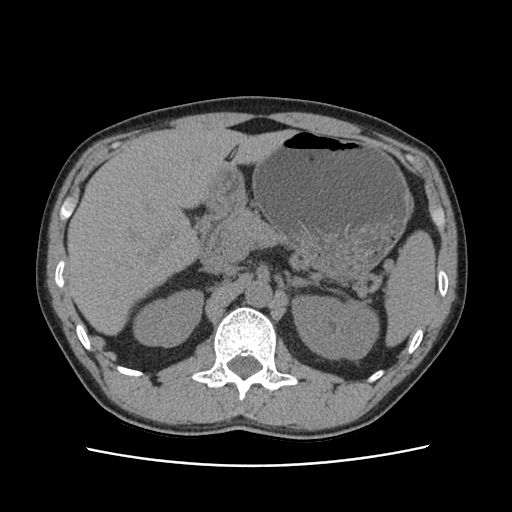

Computed tomography, abdomen · axial view
Boxes: x1 y1 x2 y2 (pixel coords, space-separated).
Organ bounding boxes:
- spleen: 384 230 435 346
- right kidney: 133 289 203 346
- left kidney: 292 295 379 359
- liver: 67 129 294 335
- stomach: 205 130 410 279
- aorta: 245 280 272 307
- inferior vena cava: 203 256 236 274
- pancreas: 217 208 284 248
- right adrenal gland: 203 266 217 272
- left adrenal gland: 286 273 318 287
- duodenum: 198 209 228 250